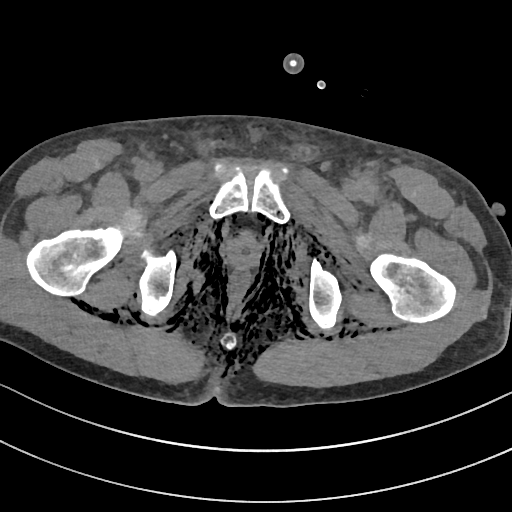

Abdominal CT — axial view — abdomen soft-tissue window
Boxes: x1 y1 x2 y2 (pixel coords, space-separated).
Organ bounding boxes:
- prostate/uterus: 226 235 259 268